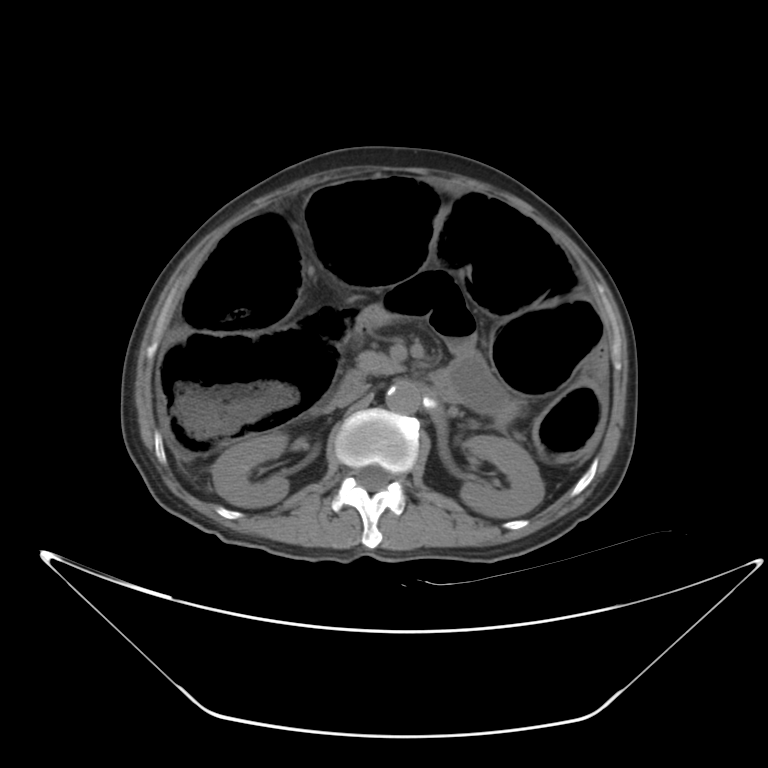

CT, abdomen/pelvis. Axial slice 57/95. abdomen soft-tissue window
One row per box, in pixels: columns x1 and y1 give the top-left corner, x2 and y2 the bottom-right.
| organ | x1 | y1 | x2 | y2 |
|---|---|---|---|---|
| inferior vena cava | 329 | 383 | 368 | 409 |
| right kidney | 212 | 432 | 288 | 507 |
| duodenum | 340 | 370 | 365 | 388 |
| pancreas | 357 | 352 | 400 | 373 |
| aorta | 385 | 380 | 421 | 413 |
| left kidney | 460 | 435 | 544 | 517 |